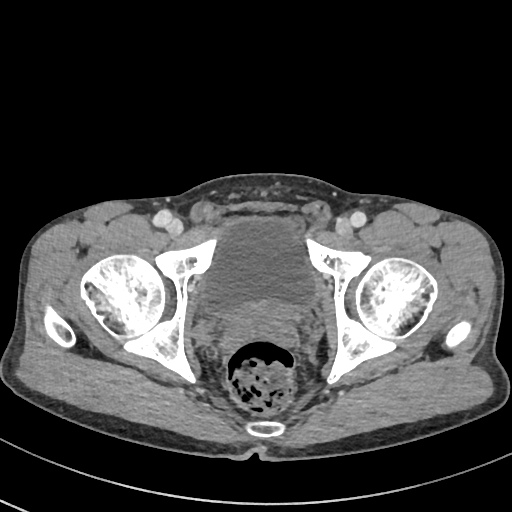
Abdominal CT. axial view. W/L 400/40 HU. 512x512 px
Each box given as x1,y1,x2,y2. Labeled organs on this slice: bladder at x1=201, y1=219, x2=316, y2=316, prostate/uterus at x1=228, y1=299, x2=292, y2=337.